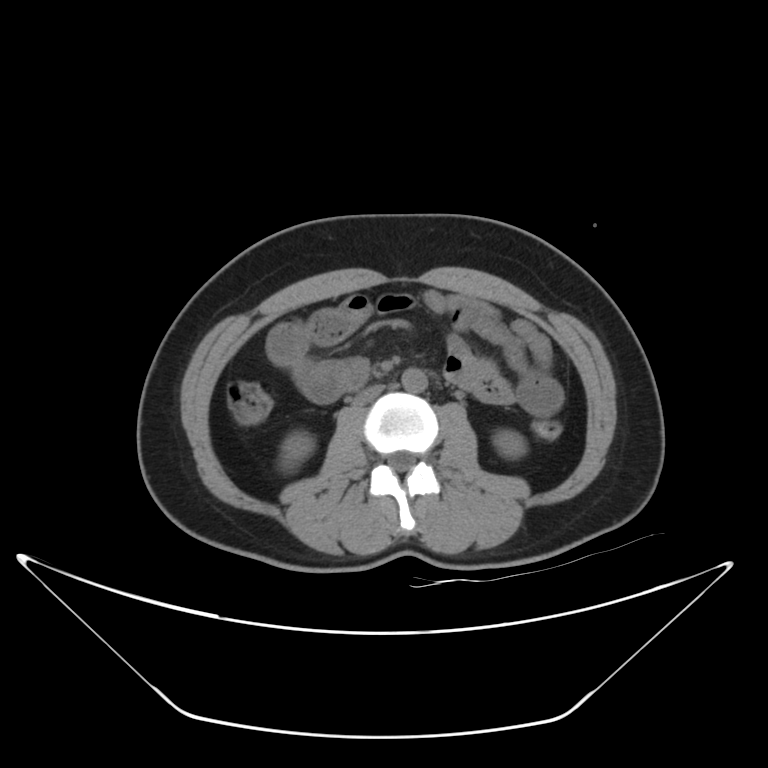 CT, abdomen/pelvis — axial view — soft-tissue window — acquired on Brilliance16
Bounding boxes as [x1, y1, x2, y2] in pixel coordinates.
right kidney: [277, 430, 315, 473]
left kidney: [493, 430, 527, 458]
aorta: [401, 368, 427, 392]
inferior vena cava: [352, 384, 384, 406]